Abdominal CT — axial plane, index 81
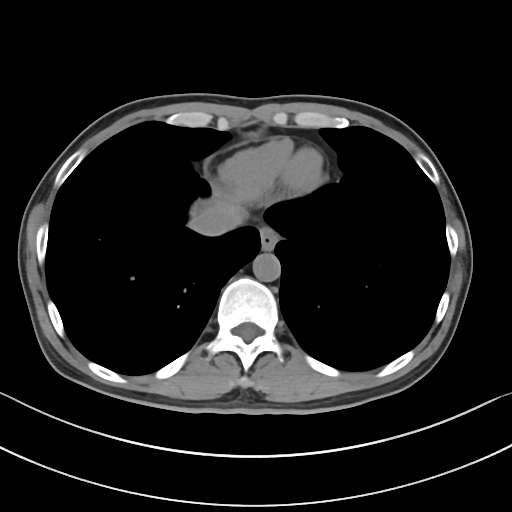 Box edges are left/top/right/bottom in pixels.
Organ bounding boxes:
- inferior vena cava: left=189, top=206, right=239, bottom=236
- aorta: left=253, top=253, right=280, bottom=281
- liver: left=205, top=200, right=244, bottom=222
- esophagus: left=259, top=227, right=279, bottom=250